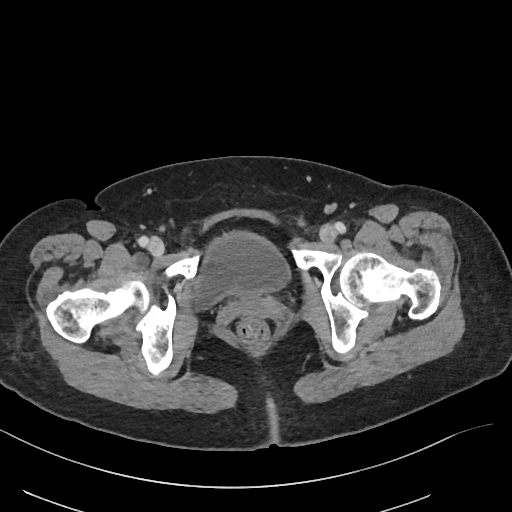
Computed tomography, abdomen; Axial slice 27/244; 512x512 px; scan has 15 labeled organs (a whole-scan count: organs this slice does not pass through have no box)
<organs><organ name="bladder" x1="195" y1="231" x2="290" y2="306"/></organs>